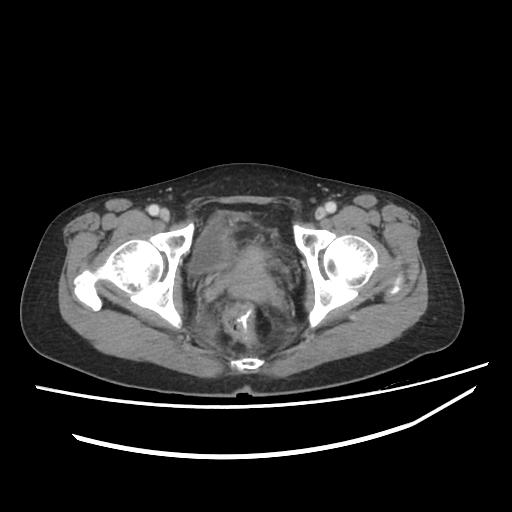

CT, abdomen/pelvis · Axial slice 13/118 · abdomen soft-tissue window · 512x512 px
<organs><organ name="bladder" x1="188" y1="214" x2="233" y2="274"/><organ name="prostate/uterus" x1="225" y1="243" x2="274" y2="302"/></organs>